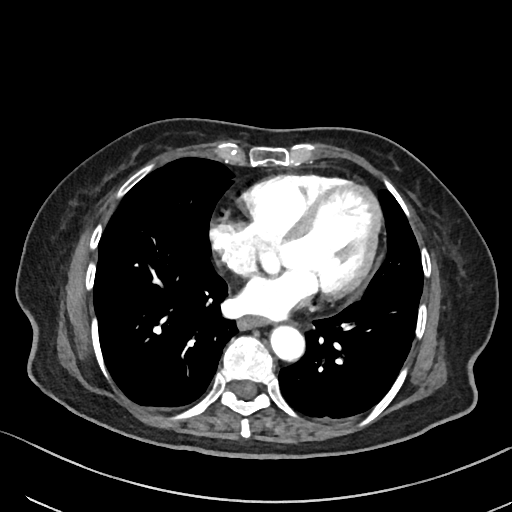 CT of the abdomen reaching into the lower chest, slice just above the liver and spleen — Axial slice 221/297 — soft-tissue window, W/L 400/40
Of the structures in the chest, this dataset labels only the esophagus, the aorta and the inferior vena cava; the heart and lungs have no label.
<organs><organ name="esophagus" x1="238" y1="317" x2="267" y2="329"/><organ name="aorta" x1="270" y1="326" x2="304" y2="361"/></organs>